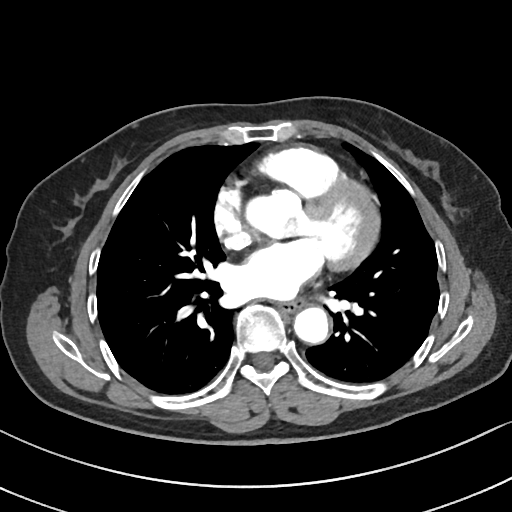 Abdominal CT; this slice is in the lower chest, just above the liver · axial view
Of the structures in the chest, this dataset labels only the esophagus, the aorta and the inferior vena cava; the heart and lungs have no label.
Organ boxes in pixel coordinates; each row gives the top-left (x1, y1) and bottom-right (x2, y2) corners.
| organ | x1 | y1 | x2 | y2 |
|---|---|---|---|---|
| esophagus | 278 | 301 | 300 | 312 |
| aorta | 294 | 307 | 328 | 343 |